Abdominal CT reaching into the chest; this slice is in the chest · axial view · 58-year-old male patient
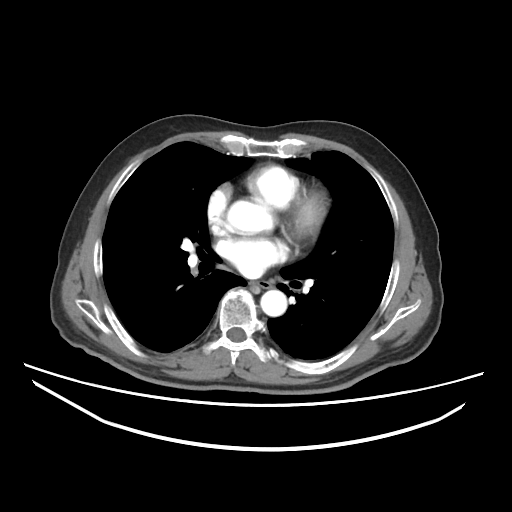
On a slice this high in the chest, this dataset labels only the esophagus and the aorta, and each is boxed only where it is labeled; the heart, lungs and other chest structures are not labeled.
{"organs":{"esophagus":[252,281,269,288],"aorta":[[229,201,268,232],[260,290,287,316]]}}